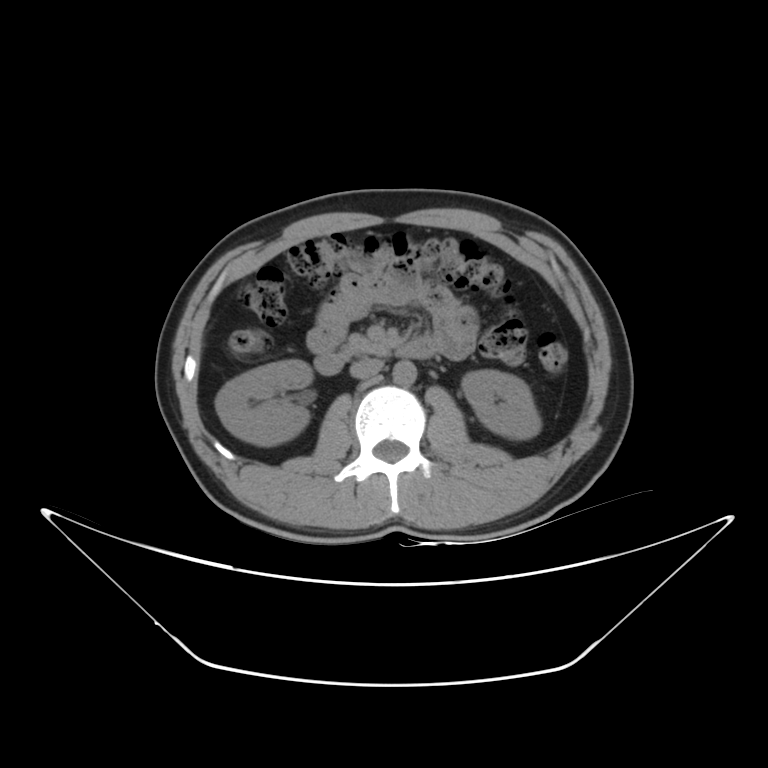

Abdominal CT — axial view — soft-tissue window — 768x768 px — 37-year-old male patient — acquired on Brilliance16 — 15 organs annotated in this scan (that count is for the whole scan; organs this slice misses have no box)
Coordinates as <box>x1,y1,x2,y2</box> in pixels.
Organ bounding boxes:
- right kidney: <box>216,359,312,445</box>
- left kidney: <box>461,370,541,438</box>
- aorta: <box>392,360,416,385</box>
- inferior vena cava: <box>350,357,384,378</box>
- pancreas: <box>340,334,390,358</box>
- duodenum: <box>314,337,434,375</box>